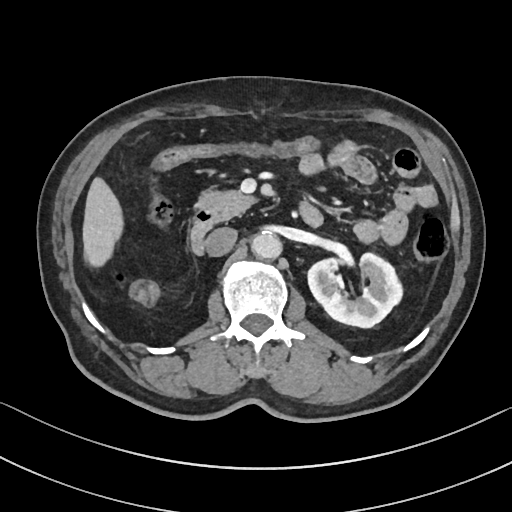

CT, abdomen/pelvis; Axial slice 156/221; acquired on SOMATOM Force
{"organs":{"aorta":[251,230,282,258],"inferior vena cava":[205,227,236,256],"liver":[83,178,122,266],"left kidney":[309,253,403,327],"pancreas":[198,189,258,220],"duodenum":[190,201,323,254]}}